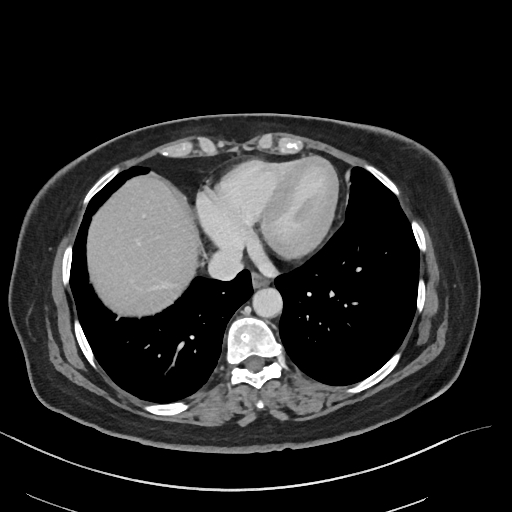

Computed tomography, abdomen — axial plane, index 217 — scan has 15 labeled organs (counted over the whole 3D scan, not this slice; an organ is boxed only where this slice passes through it)
Bounding boxes as [x1, y1, x2, y2] in pixel coordinates.
Organ bounding boxes:
- esophagus: [251, 273, 269, 287]
- liver: [87, 176, 200, 316]
- aorta: [252, 288, 282, 317]
- inferior vena cava: [208, 250, 242, 280]